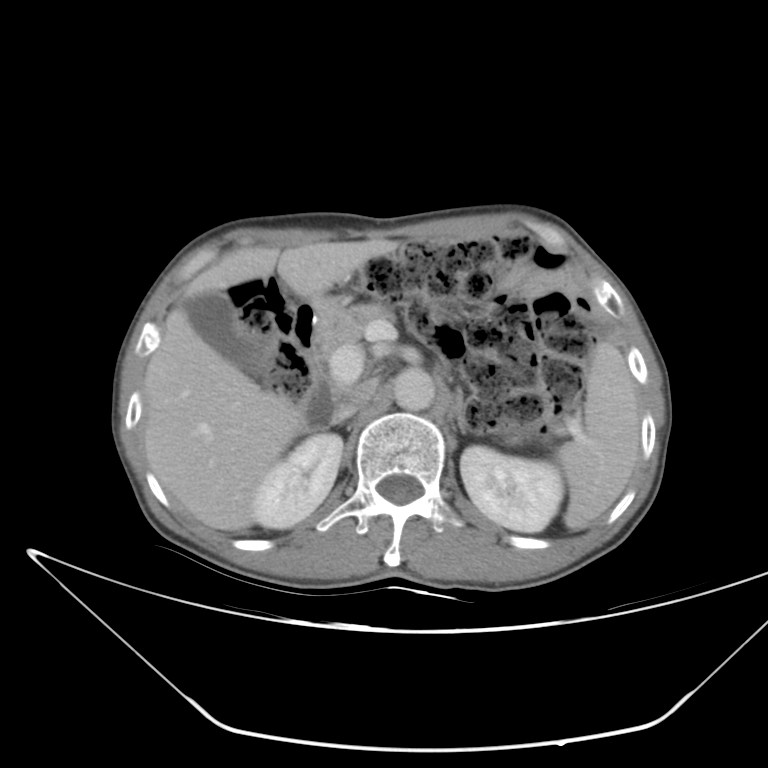
CT abdomen. axial view. soft-tissue window. 768x768 px. acquired on Brilliance16
Bounding boxes as [x1, y1, x2, y2] in pixel coordinates. 10 labeled organs on this slice — spleen at [554, 341, 642, 529]; right kidney at [253, 432, 344, 529]; left kidney at [460, 444, 562, 532]; gall bladder at [179, 290, 267, 375]; liver at [144, 237, 400, 532]; aorta at [392, 367, 435, 411]; inferior vena cava at [333, 377, 376, 422]; pancreas at [318, 302, 397, 351]; left adrenal gland at [448, 387, 469, 440]; duodenum at [291, 302, 337, 435].